CT, abdomen/pelvis; axial plane, index 228; W/L 400/40 HU; 512x512 px
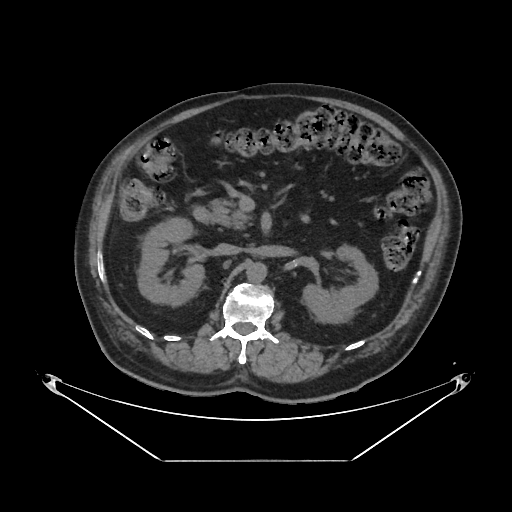 <organs><organ name="duodenum" x1="192" y1="205" x2="210" y2="221"/><organ name="aorta" x1="247" y1="262" x2="268" y2="281"/><organ name="left kidney" x1="303" y1="244" x2="377" y2="322"/><organ name="inferior vena cava" x1="215" y1="243" x2="240" y2="253"/><organ name="pancreas" x1="209" y1="199" x2="248" y2="228"/><organ name="right kidney" x1="137" y1="215" x2="203" y2="304"/></organs>